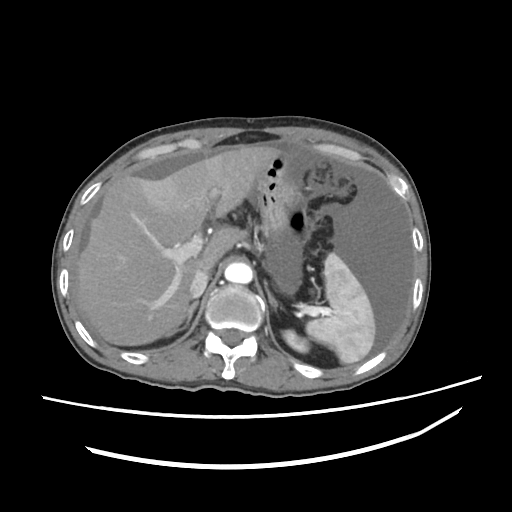 Computed tomography, abdomen; axial plane, index 79; W/L 400/40 HU
<organs><organ name="left adrenal gland" x1="266" y1="285" x2="288" y2="322"/><organ name="spleen" x1="305" y1="255" x2="375" y2="364"/><organ name="left kidney" x1="282" y1="328" x2="309" y2="352"/><organ name="aorta" x1="224" y1="263" x2="252" y2="283"/><organ name="liver" x1="77" y1="146" x2="292" y2="345"/><organ name="inferior vena cava" x1="189" y1="263" x2="213" y2="297"/><organ name="right adrenal gland" x1="171" y1="300" x2="199" y2="337"/><organ name="stomach" x1="255" y1="154" x2="301" y2="237"/></organs>